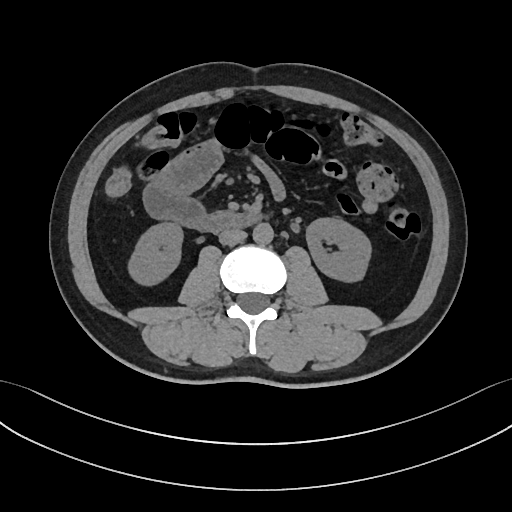

Abdominal CT · axial view · 512x512 px · SOMATOM Force scanner · scan has 15 labeled organs (that count is for the whole scan; organs this slice misses have no box)
Box edges are left/top/right/bottom in pixels.
Organ bounding boxes:
- right kidney: left=128, top=223, right=182, bottom=285
- left kidney: left=306, top=218, right=371, bottom=281
- aorta: left=252, top=223, right=273, bottom=244
- inferior vena cava: left=219, top=229, right=246, bottom=245
- duodenum: left=194, top=211, right=260, bottom=232